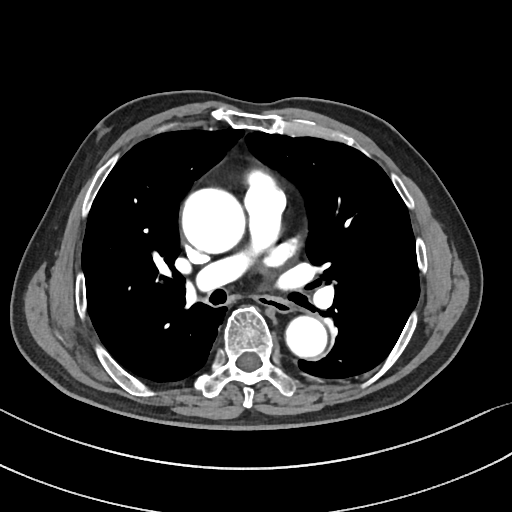

Chest-level CT slice, above the liver and spleen · axial view · soft-tissue window, W/L 400/40
At this level of the chest no structure but the esophagus and the aorta has a label in this dataset, and those two are boxed only where they are labeled.
Bounding boxes as [x1, y1, x2, y2] in pixel coordinates.
Organ bounding boxes:
- esophagus: [257, 295, 292, 312]
- aorta: [182, 188, 245, 253]
- aorta: [286, 316, 327, 357]